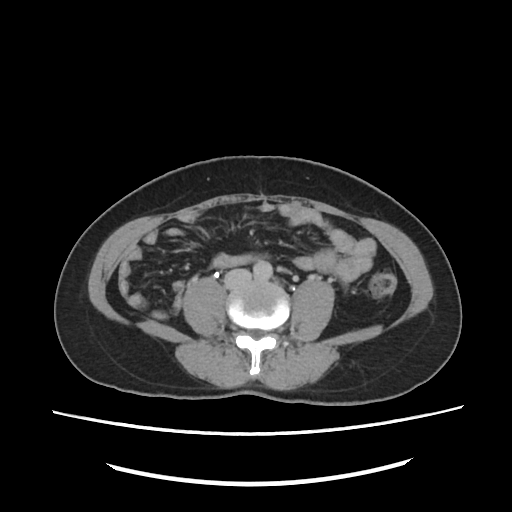
CT abdomen · axial view · 512x512 px · Aquilion ONE scanner · 15 organs annotated in this scan (that count is for the whole scan; organs this slice misses have no box)
<organs><organ name="aorta" x1="252" y1="260" x2="273" y2="279"/><organ name="inferior vena cava" x1="225" y1="269" x2="252" y2="289"/></organs>